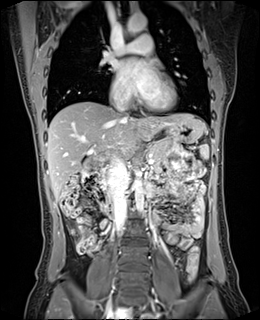
Abdominal MRI — coronal plane, index 73 — acquired on Prisma
<organs><organ name="spleen" x1="200" y1="144" x2="208" y2="158"/><organ name="gall bladder" x1="81" y1="173" x2="84" y2="174"/><organ name="liver" x1="46" y1="101" x2="203" y2="198"/><organ name="stomach" x1="148" y1="118" x2="203" y2="143"/><organ name="aorta" x1="133" y1="171" x2="143" y2="212"/><organ name="aorta" x1="127" y1="15" x2="146" y2="37"/><organ name="inferior vena cava" x1="108" y1="158" x2="128" y2="232"/><organ name="inferior vena cava" x1="114" y1="98" x2="127" y2="115"/><organ name="pancreas" x1="149" y1="141" x2="167" y2="162"/><organ name="duodenum" x1="93" y1="168" x2="109" y2="196"/></organs>